CT abdomen; axial plane, index 15
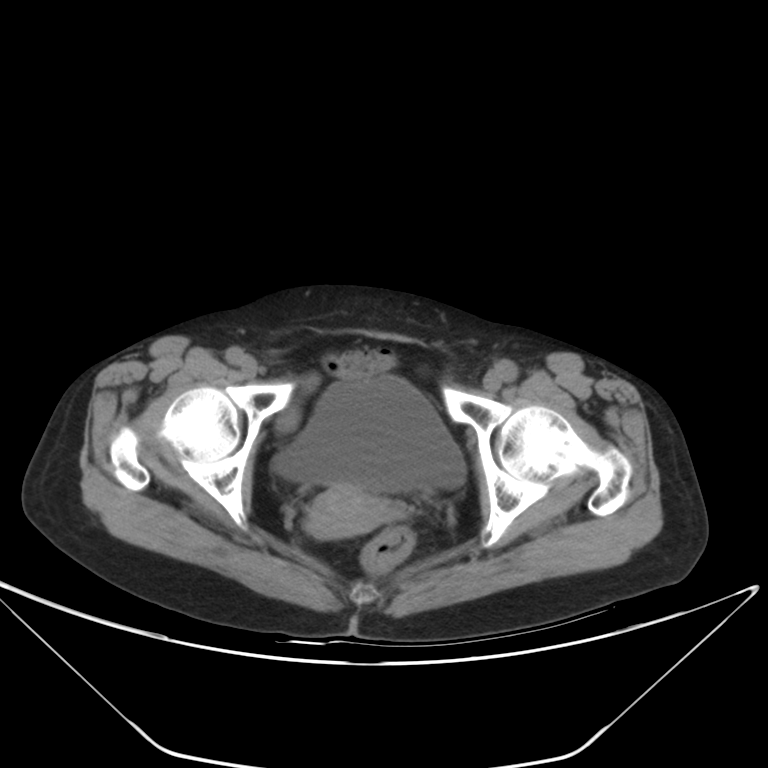

Organ boxes in pixel coordinates; each row gives the top-left (x1, y1) and bottom-right (x2, y2) corners.
| organ | x1 | y1 | x2 | y2 |
|---|---|---|---|---|
| bladder | 273 | 375 | 465 | 492 |
| prostate/uterus | 307 | 484 | 395 | 538 |